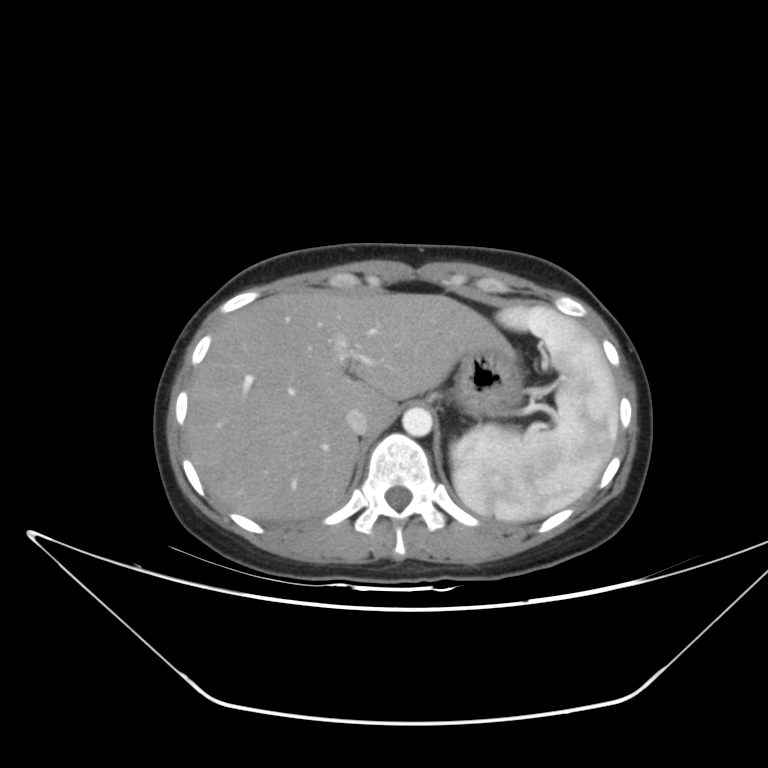 Abdominal CT · axial view · 34-year-old female patient
One row per box, in pixels: columns x1 and y1 give the top-left corner, x2 and y2 the bottom-right.
| organ | x1 | y1 | x2 | y2 |
|---|---|---|---|---|
| spleen | 450 | 305 | 618 | 522 |
| liver | 185 | 288 | 521 | 522 |
| stomach | 451 | 350 | 523 | 417 |
| aorta | 402 | 407 | 432 | 436 |
| inferior vena cava | 345 | 408 | 368 | 434 |